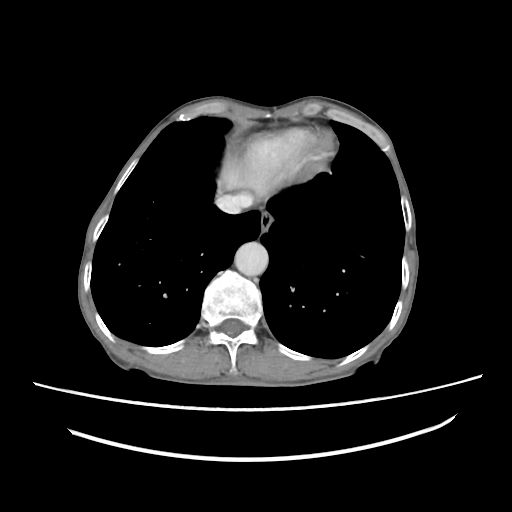

Abdominal CT. axial view. W/L 400/40 HU. 59-year-old male patient
Organ boxes in pixel coordinates; each row gives the top-left (x1, y1) and bottom-right (x2, y2) corners.
| organ | x1 | y1 | x2 | y2 |
|---|---|---|---|---|
| esophagus | 260 | 212 | 273 | 231 |
| liver | 220 | 156 | 269 | 194 |
| aorta | 234 | 241 | 268 | 276 |
| inferior vena cava | 215 | 194 | 252 | 214 |